MRI, abdomen; Coronal slice 44/144; percentile-normalized; 260x320 px
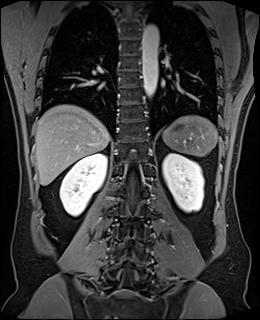

<organs><organ name="spleen" x1="162" y1="115" x2="218" y2="156"/><organ name="right kidney" x1="60" y1="153" x2="107" y2="216"/><organ name="left kidney" x1="162" y1="153" x2="204" y2="212"/><organ name="liver" x1="35" y1="105" x2="110" y2="185"/><organ name="aorta" x1="142" y1="24" x2="158" y2="97"/></organs>